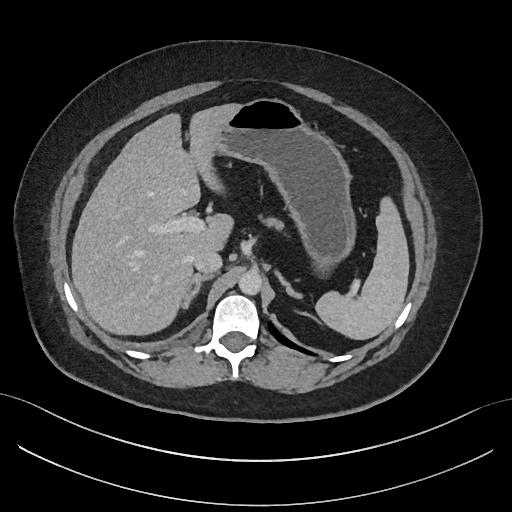 CT, abdomen/pelvis; axial view; 15 organs annotated in this scan (counted over the whole 3D scan, not this slice; an organ is boxed only where this slice passes through it)
{"organs":{"stomach":[216,99,355,267],"left adrenal gland":[277,274,299,297],"inferior vena cava":[193,249,221,274],"spleen":[316,197,408,340],"pancreas":[268,217,280,228],"right adrenal gland":[184,274,213,310],"liver":[71,103,243,335],"aorta":[238,270,262,295]}}